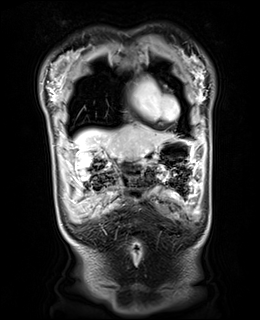

Abdominal MR · coronal view · 13 organs annotated in this scan (that count is for the whole scan; organs this slice misses have no box)
Boxes: x1:y1:x2:y2 in pixels. Labeled organs on this slice: liver at 75:125:173:156, stomach at 140:138:197:165.